Computed tomography, abdomen — axial view — abdomen soft-tissue window — 81-year-old male patient — acquired on Aquilion ONE — 15 organs annotated in this scan (that count is for the whole scan; organs this slice misses have no box)
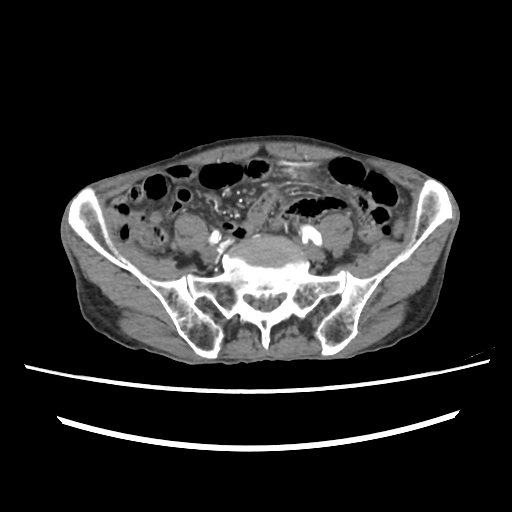

Boxes: x1 y1 x2 y2 (pixel coords, space-separated).
stomach: 290 167 309 180